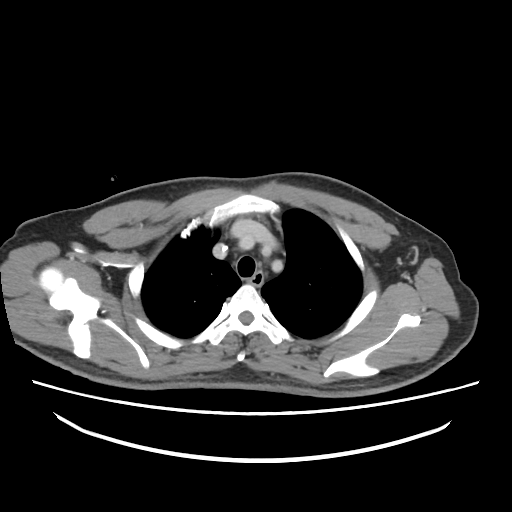
CT of the abdomen extending into the chest, slice through the chest — axial view — 31-year-old male patient — Aquilion ONE scanner — 15 organs annotated in this scan (counted over the whole 3D scan, not this slice; an organ is boxed only where this slice passes through it)
At this level of the chest this dataset labels only the esophagus and the aorta, and each is boxed only where it is labeled; the heart and lungs are never labeled. Bounding boxes as [x1, y1, x2, y2] in pixel coordinates. Labeled organs on this slice: esophagus at [248, 271, 262, 286].